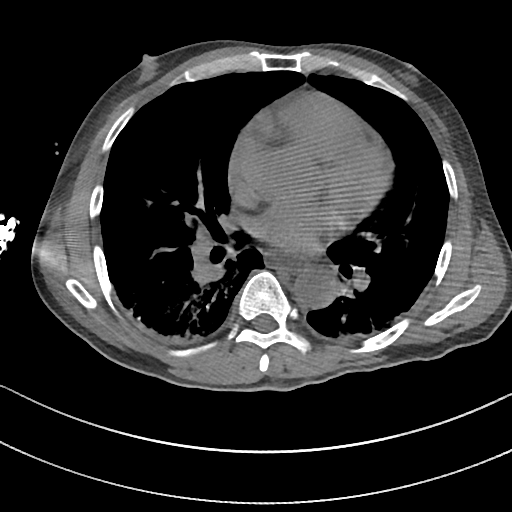 CT of the abdomen reaching into the lower chest, slice just above the liver and spleen — Axial slice 248/252 — soft-tissue window, W/L 400/40 — 512x512 px
The heart and lungs are never labeled in this dataset, so they have no box on this slice.
{"organs":{"aorta":[294,272,334,307],"esophagus":[266,254,307,270]}}